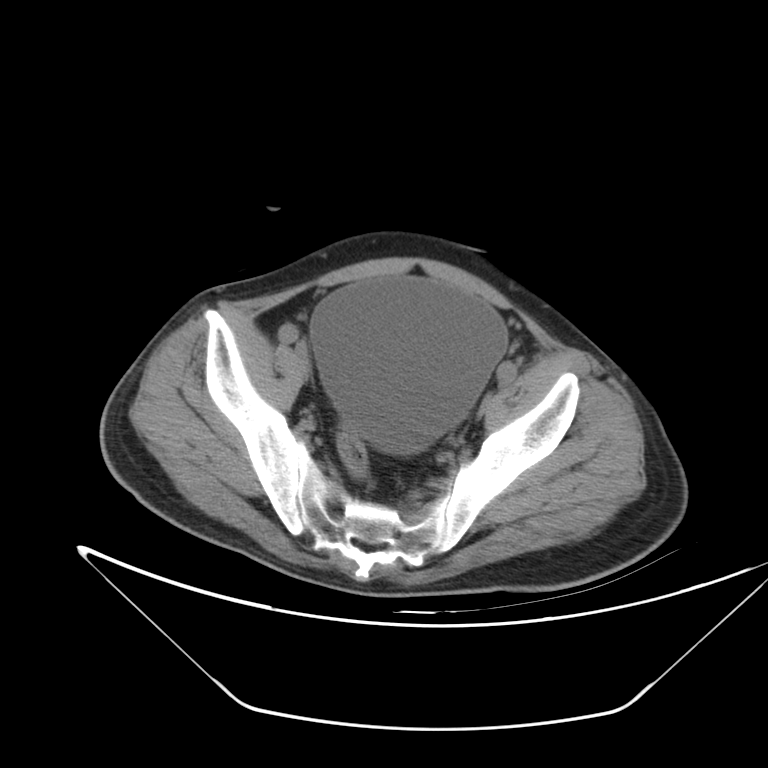 Abdominal CT · axial view · 47-year-old male patient · acquired on Brilliance16
Each box given as x1,y1,x2,y2.
bladder: x1=310, y1=279, x2=507, y2=453